Chest-level slice from an abdominal CT that extends up into the chest. axial view. soft-tissue window (W 400 / L 40). 512x512 px. 61-year-old male patient. Aquilion ONE scanner
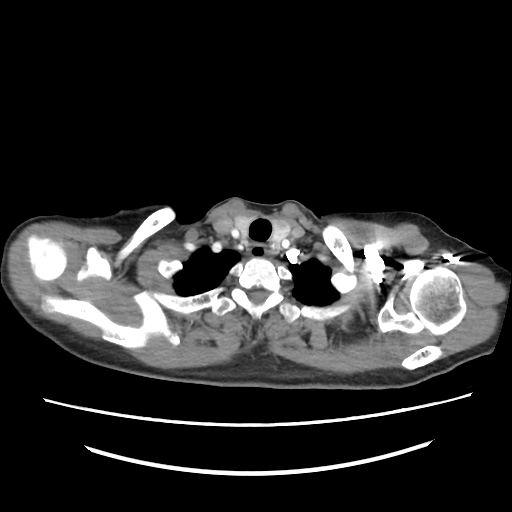 At this level of the chest no structure but the esophagus and the aorta has a label in this dataset, and those two are boxed only where they are labeled.
<organs><organ name="esophagus" x1="250" y1="245" x2="269" y2="256"/></organs>